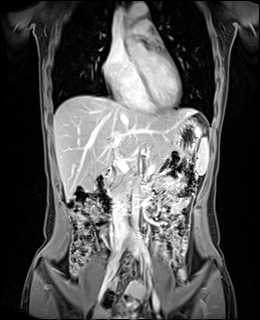
Abdominal MR; coronal plane, index 86
Boxes: x1:y1:x2:y2 in pixels.
Organ bounding boxes:
- stomach: 173:117:203:151
- gall bladder: 81:176:94:191
- inferior vena cava: 113:189:127:233
- duodenum: 94:169:113:213
- spleen: 196:138:208:174
- aorta: 131:188:139:232
- aorta: 124:3:148:24
- liver: 53:95:197:200
- pancreas: 106:145:182:194